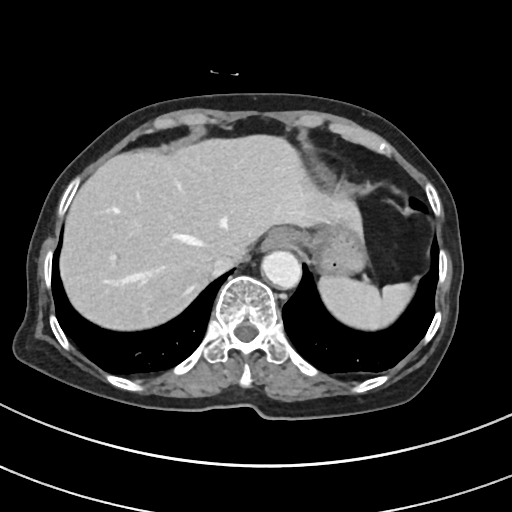

Abdominal CT. axial view. abdomen soft-tissue window. scan has 15 labeled organs (counted over the whole 3D scan, not this slice; an organ is boxed only where this slice passes through it)
<organs><organ name="spleen" x1="318" y1="273" x2="413" y2="329"/><organ name="esophagus" x1="260" y1="230" x2="291" y2="253"/><organ name="liver" x1="60" y1="136" x2="365" y2="331"/><organ name="stomach" x1="285" y1="226" x2="365" y2="273"/><organ name="aorta" x1="262" y1="251" x2="301" y2="290"/><organ name="inferior vena cava" x1="213" y1="259" x2="237" y2="273"/></organs>